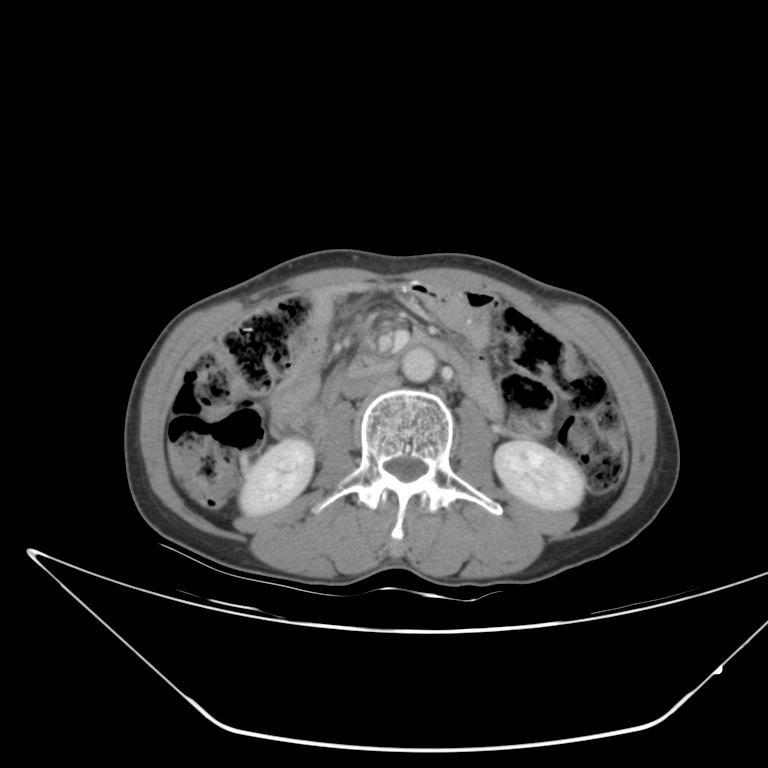 Computed tomography, abdomen. Axial slice 27/104. 768x768 px. 13 organs annotated in this scan (counted over the whole 3D scan, not this slice; an organ is boxed only where this slice passes through it)
Boxes are (x1, y1, x2, y2) in pixels.
Organ bounding boxes:
- duodenum: (273, 355, 396, 439)
- left kidney: (495, 441, 582, 512)
- inferior vena cava: (343, 373, 400, 398)
- aorta: (401, 347, 435, 381)
- right kidney: (241, 438, 314, 514)